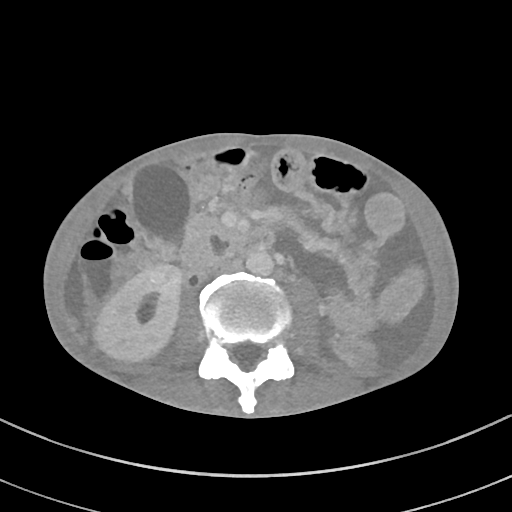

Abdominal CT; axial view; 512x512 px
Organ boxes in pixel coordinates; each row gives the top-left (x1, y1) and bottom-right (x2, y2) corners.
| organ | x1 | y1 | x2 | y2 |
|---|---|---|---|---|
| gall bladder | 130 | 163 | 193 | 243 |
| pancreas | 181 | 214 | 239 | 267 |
| right kidney | 95 | 265 | 181 | 360 |
| aorta | 246 | 249 | 273 | 276 |
| inferior vena cava | 214 | 259 | 241 | 272 |
| duodenum | 179 | 228 | 273 | 276 |